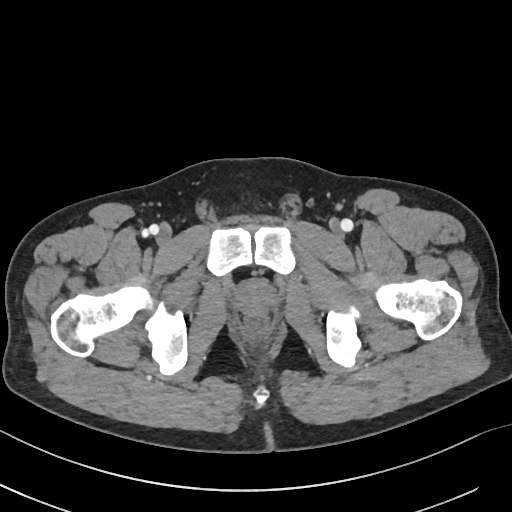 Abdominal CT — axial plane, index 24 — acquired on SOMATOM Force
{"organs":{"prostate/uterus":[238,283,270,312]}}